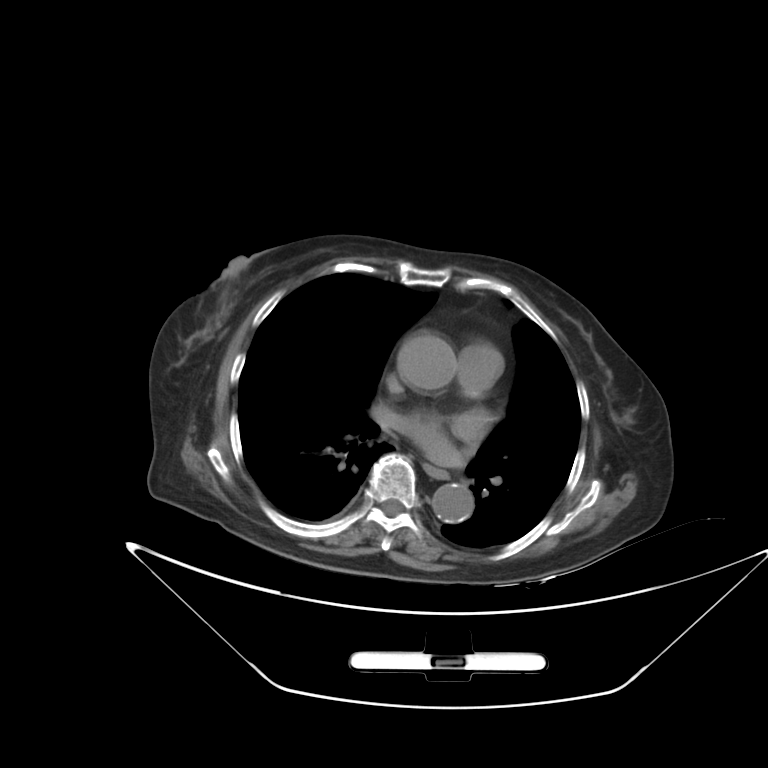 Abdominal CT; this slice is in the lower chest, just above the liver. axial plane, index 98. soft-tissue window, W/L 400/40. 80-year-old female patient
Of the structures in the chest, this dataset labels only the esophagus, the aorta and the inferior vena cava; the heart and lungs have no label.
Bounding boxes as [x1, y1, x2, y2] in pixel coordinates.
Organ bounding boxes:
- esophagus: [424, 462, 449, 480]
- aorta: [398, 335, 456, 389]
- aorta: [432, 483, 473, 522]